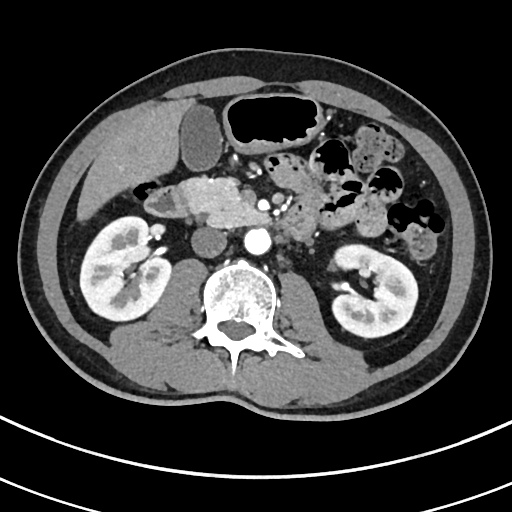

CT, abdomen/pelvis — axial plane, index 125
<organs><organ name="right kidney" x1="80" y1="217" x2="172" y2="322"/><organ name="left kidney" x1="331" y1="244" x2="418" y2="338"/><organ name="gall bladder" x1="181" y1="105" x2="222" y2="171"/><organ name="liver" x1="77" y1="97" x2="197" y2="220"/><organ name="stomach" x1="221" y1="93" x2="324" y2="154"/><organ name="aorta" x1="243" y1="228" x2="270" y2="255"/><organ name="inferior vena cava" x1="190" y1="227" x2="226" y2="257"/><organ name="pancreas" x1="179" y1="176" x2="266" y2="228"/><organ name="duodenum" x1="144" y1="186" x2="314" y2="239"/></organs>